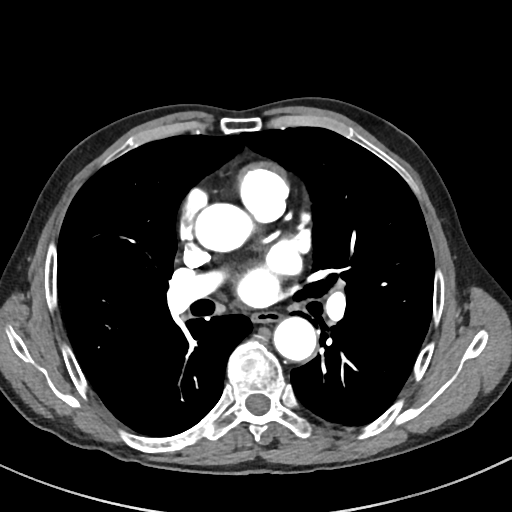 Chest-level CT slice, above the liver and spleen · axial view
At this level of the chest no structure but the esophagus and the aorta has a label in this dataset, and those two are boxed only where they are labeled.
Boxes are (x1, y1, x2, y2) in pixels.
Organ bounding boxes:
- esophagus: (251, 311, 280, 323)
- aorta: (196, 203, 253, 251)
- aorta: (273, 316, 316, 360)